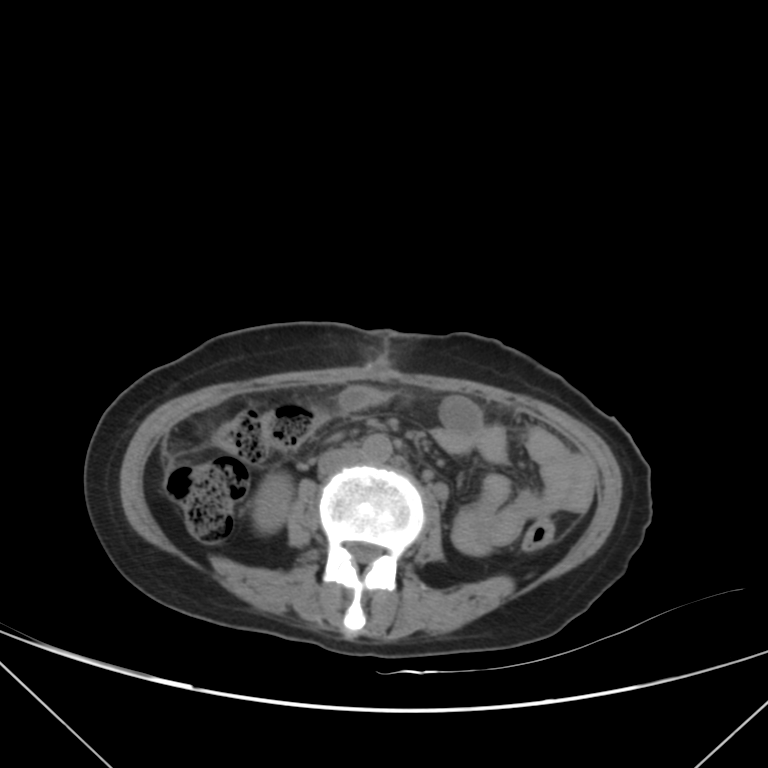
CT, abdomen/pelvis · axial view · Brilliance16 scanner
{"organs":{"inferior vena cava":[318,445,363,474],"aorta":[360,435,391,463],"right kidney":[255,472,293,530]}}